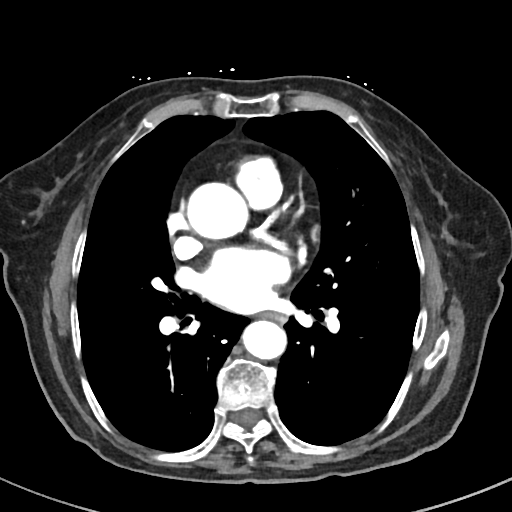 Lower-chest slice from an abdominal CT, just above the liver and spleen. axial view. W/L 400/40 HU. 15 organs annotated in this scan (counted over the whole 3D scan, not this slice; an organ is boxed only where this slice passes through it)
Of the structures in the chest, this dataset labels only the esophagus, the aorta and the inferior vena cava; the heart and lungs have no label. Boxes: x1 y1 x2 y2 (pixel coords, space-separated). Labeled organs on this slice: esophagus at 263 312 285 322, aorta at 187 183 248 239, aorta at 241 320 286 359.